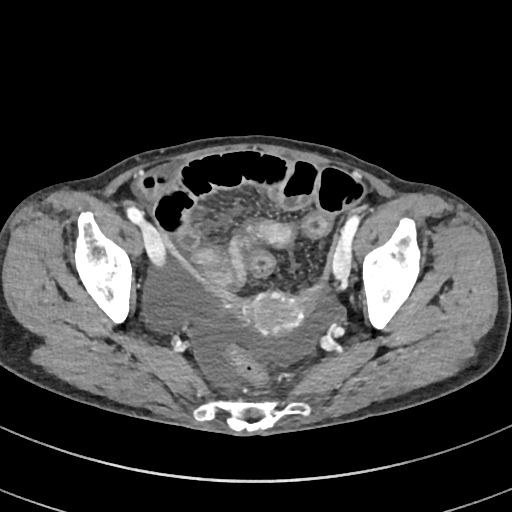
CT abdomen · axial view · 512x512 px · 14 organs annotated in this scan (counted over the whole 3D scan, not this slice; an organ is boxed only where this slice passes through it)
Coordinates as <box>x1,y1,x2,y2</box> in pixels.
prostate/uterus: <box>240,292,303,336</box>